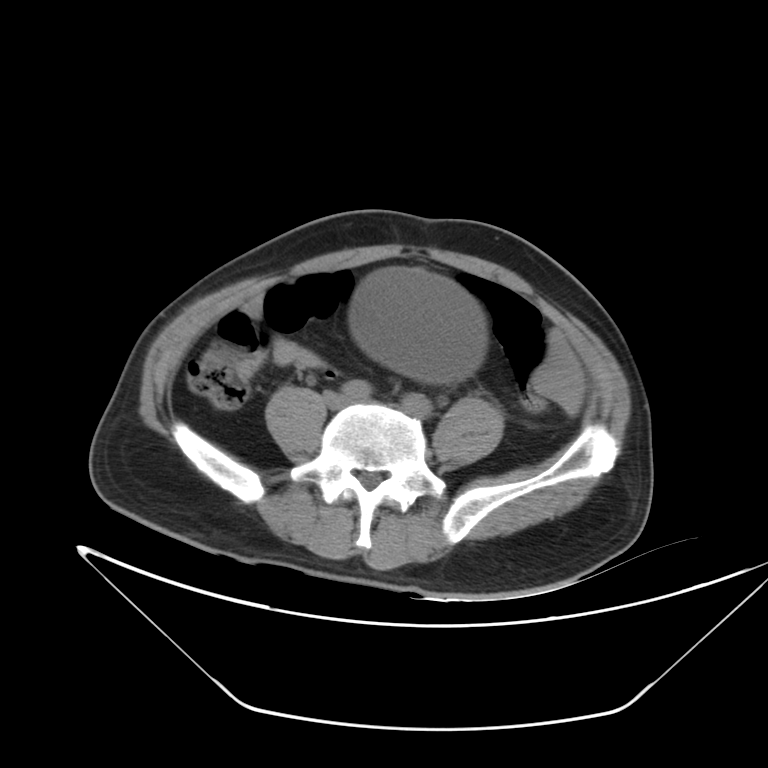 CT abdomen. axial view. W/L 400/40 HU. 768x768 px. 47-year-old male patient. Brilliance16 scanner
Organ boxes in pixel coordinates; each row gives the top-left (x1, y1) and bottom-right (x2, y2) corners.
| organ | x1 | y1 | x2 | y2 |
|---|---|---|---|---|
| bladder | 355 | 266 | 487 | 379 |